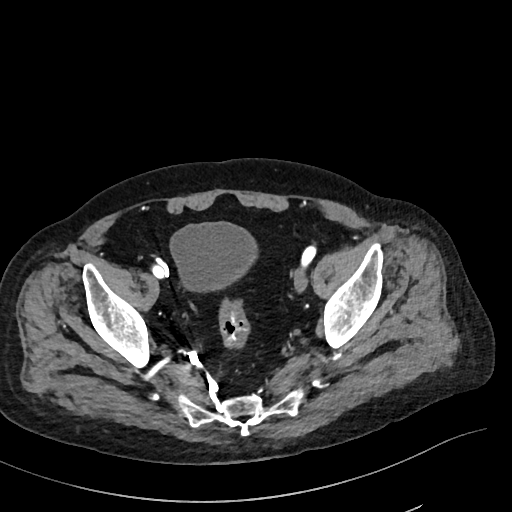 CT abdomen — axial view — 512x512 px — scan has 15 labeled organs (a whole-scan count: organs this slice does not pass through have no box)
One row per box, in pixels: columns x1 and y1 give the top-left corner, x2 and y2 the bottom-right.
| organ | x1 | y1 | x2 | y2 |
|---|---|---|---|---|
| bladder | 171 | 222 | 256 | 293 |